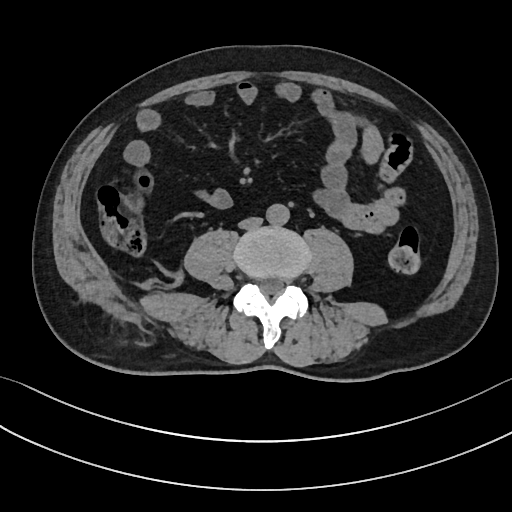

CT abdomen — axial plane, index 108 — 15 organs annotated in this scan (a whole-scan count: organs this slice does not pass through have no box)
<organs><organ name="aorta" x1="266" y1="204" x2="289" y2="225"/><organ name="inferior vena cava" x1="238" y1="217" x2="262" y2="229"/></organs>